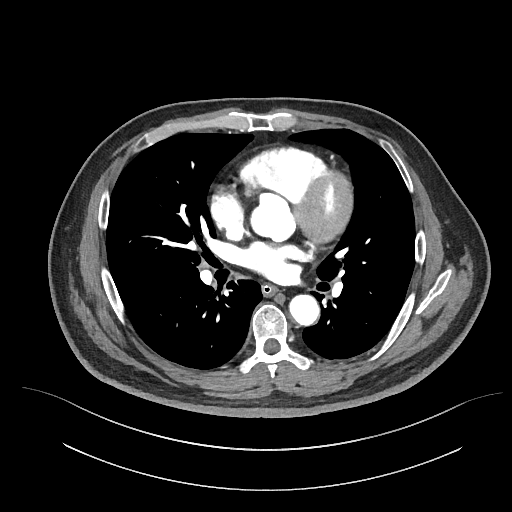
Lower-chest slice from an abdominal CT, just above the liver and spleen — axial plane, index 253 — soft-tissue window (W 400 / L 40) — 512x512 px — acquired on SOMATOM Force — scan has 15 labeled organs (that count is for the whole scan; organs this slice misses have no box)
No part of the heart or lungs is labeled in this dataset, so neither has a box here.
Coordinates as <box>x1,y1,x2,y2</box> in pixels.
Organ bounding boxes:
- esophagus: <box>262,284,277,296</box>
- aorta: <box>289,295,319,326</box>